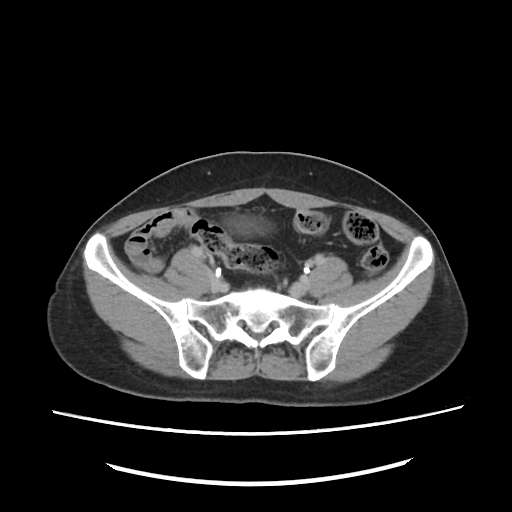 CT abdomen · axial plane, index 30
Organ boxes in pixel coordinates; each row gives the top-left (x1, y1) and bottom-right (x2, y2) corners.
| organ | x1 | y1 | x2 | y2 |
|---|---|---|---|---|
| bladder | 224 | 213 | 275 | 236 |